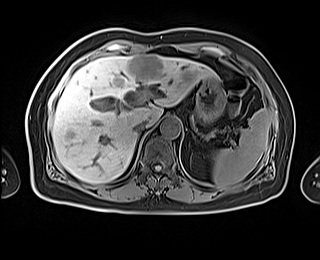 Abdominal MR. Axial slice 49/72. percentile-normalized. 320x260 px
One row per box, in pixels: columns x1 and y1 give the top-left corner, x2 and y2 the bottom-right.
| organ | x1 | y1 | x2 | y2 |
|---|---|---|---|---|
| spleen | 212 | 109 | 270 | 187 |
| liver | 52 | 54 | 216 | 183 |
| stomach | 195 | 78 | 225 | 124 |
| aorta | 160 | 117 | 180 | 137 |
| inferior vena cava | 133 | 120 | 147 | 133 |